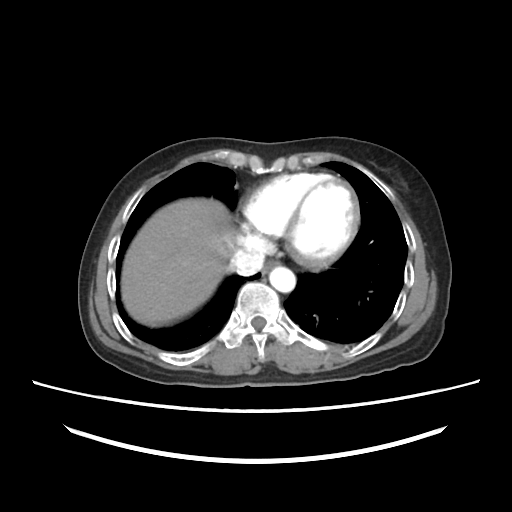
CT abdomen — axial view — 15 organs annotated in this scan (a whole-scan count: organs this slice does not pass through have no box)
Bounding boxes in pixels, one row per box: x1, y1 is the top-left corner and x2, y2 the bottom-right.
| organ | x1 | y1 | x2 | y2 |
|---|---|---|---|---|
| inferior vena cava | 228 | 248 | 264 | 275 |
| esophagus | 262 | 261 | 277 | 274 |
| liver | 121 | 198 | 234 | 326 |
| aorta | 269 | 266 | 295 | 292 |